MRI, abdomen. coronal acquisition. 260x320 px
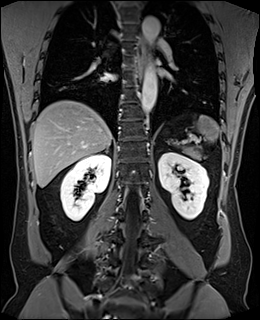 One row per box, in pixels: columns x1 and y1 give the top-left corner, x2 and y2 the bottom-right.
| organ | x1 | y1 | x2 | y2 |
|---|---|---|---|---|
| spleen | 168 | 115 | 218 | 150 |
| right kidney | 60 | 153 | 110 | 221 |
| left kidney | 158 | 152 | 208 | 219 |
| esophagus | 134 | 38 | 144 | 79 |
| liver | 32 | 100 | 112 | 187 |
| aorta | 141 | 64 | 157 | 113 |
| aorta | 142 | 16 | 159 | 43 |
| pancreas | 181 | 148 | 201 | 159 |
| right adrenal gland | 106 | 147 | 109 | 151 |